CT, abdomen/pelvis. axial view. 15 organs annotated in this scan (that count is for the whole scan; organs this slice misses have no box)
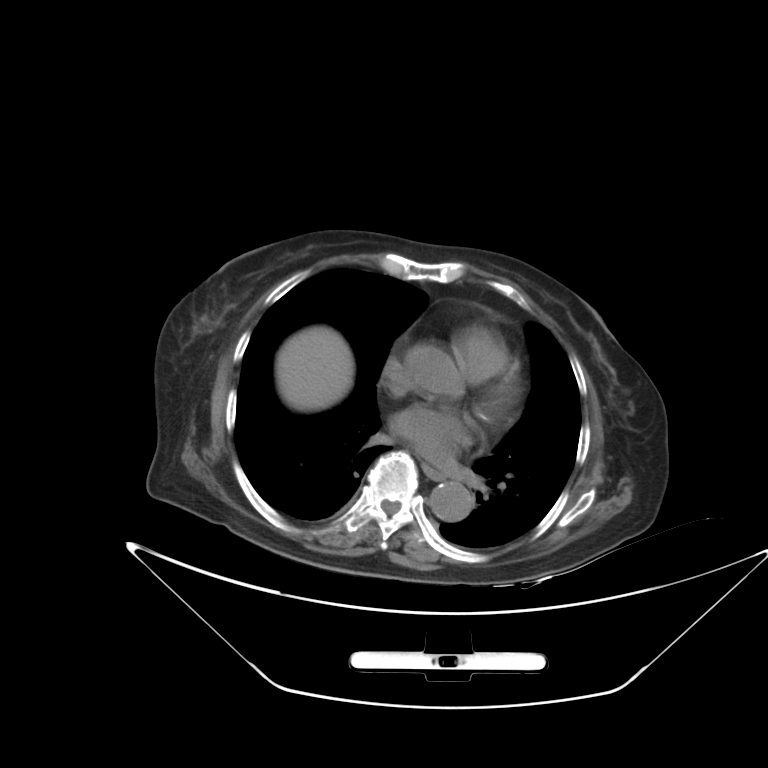

Boxes: x1 y1 x2 y2 (pixel coords, space-separated).
Organ bounding boxes:
- liver: 276 326 353 411
- esophagus: 425 466 446 483
- aorta: 430 481 473 521